Abdominal MR. Coronal slice 50/144. 1st–99th percentile window. 260x320 px
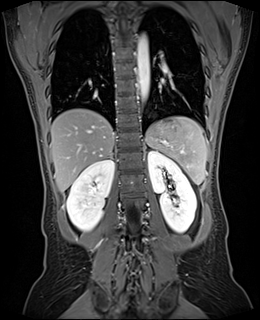

Boxes are (x1, y1, x2, y2) in pixels.
Organ bounding boxes:
- spleen: (146, 116, 207, 184)
- right kidney: (66, 159, 114, 231)
- left kidney: (148, 150, 196, 232)
- liver: (50, 108, 114, 192)
- stomach: (153, 121, 171, 129)
- aorta: (137, 34, 149, 102)
- right adrenal gland: (110, 152, 113, 158)